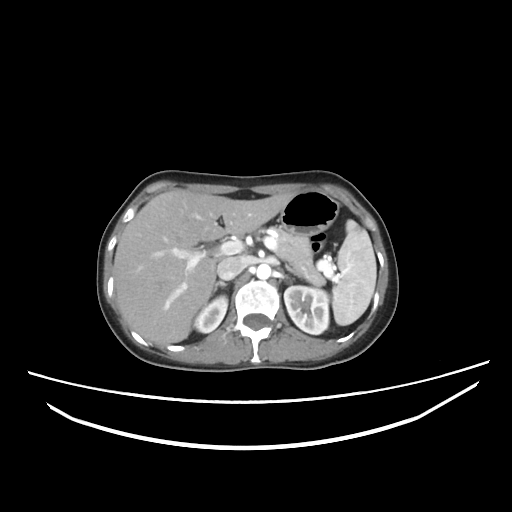 CT, abdomen/pelvis. axial view. W/L 400/40 HU
{"organs":{"spleen":[332,219,376,325],"right kidney":[194,295,227,332],"left kidney":[284,285,329,334],"liver":[113,191,293,344],"stomach":[279,190,339,237],"aorta":[256,264,271,279],"inferior vena cava":[217,257,246,279],"pancreas":[275,227,325,285],"right adrenal gland":[211,281,227,295],"left adrenal gland":[285,263,303,279]}}